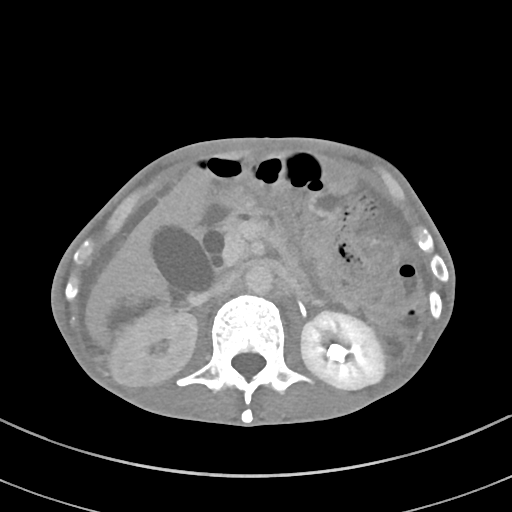

CT abdomen — axial plane, index 60 — abdomen soft-tissue window — 512x512 px
Each box given as x1,y1,x2,y2.
left kidney: x1=186, y1=311, x2=384, y2=389
liver: x1=86, y1=174, x2=208, y2=342
right kidney: x1=110, y1=310, x2=197, y2=385
gall bladder: x1=151, y1=224, x2=216, y2=295
duodenum: x1=201, y1=200, x2=236, y2=226
pancreas: x1=223, y1=207, x2=287, y2=241
aorta: x1=245, y1=263, x2=273, y2=294